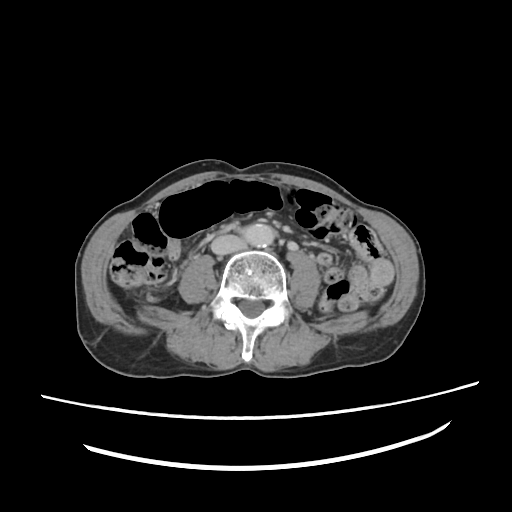

Abdominal CT; axial view; abdomen soft-tissue window; 512x512 px
Bounding boxes as [x1, y1, x2, y2] in pixel coordinates.
Organ bounding boxes:
- inferior vena cava: [211, 236, 248, 254]
- aorta: [245, 221, 275, 247]